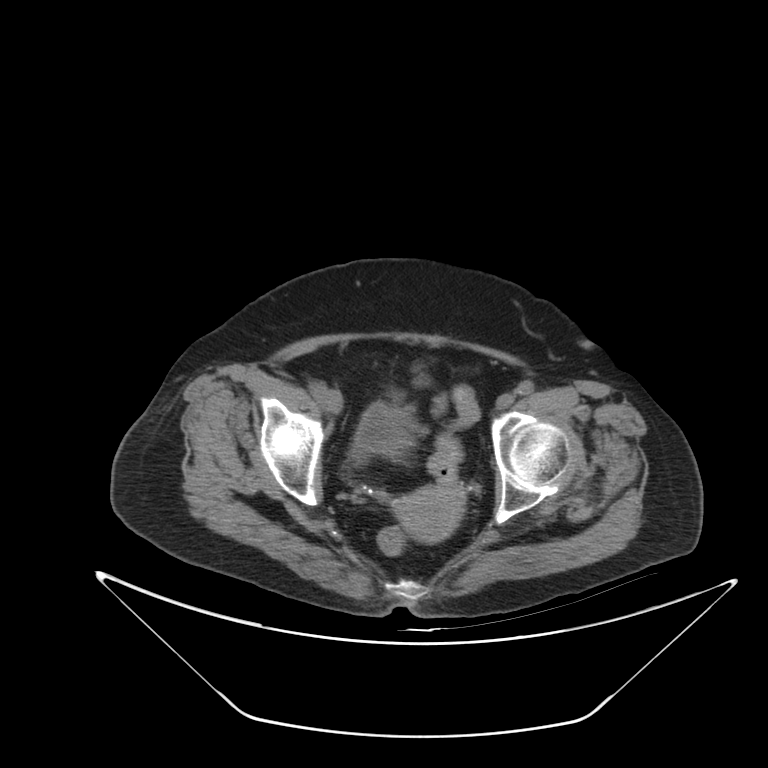 Abdominal CT · Axial slice 19/89 · W/L 400/40 HU
Boxes: x1 y1 x2 y2 (pixel coords, space-separated).
bladder: 350 403 412 461
prostate/uterus: 395 485 464 542